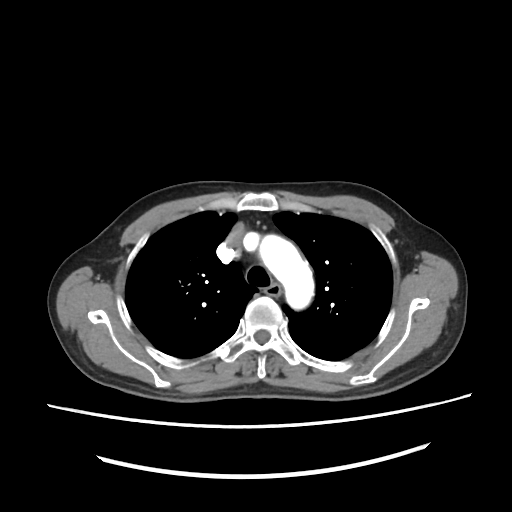

Chest-level CT slice, above the liver and spleen — Axial slice 116/132 — 512x512 px — 67-year-old male patient
At this level of the chest this dataset labels only the esophagus and the aorta, and each is boxed only where it is labeled; the heart and lungs are never labeled.
Boxes: x1:y1:x2:y2 in pixels.
esophagus: 264:286:280:296
aorta: 257:234:317:312